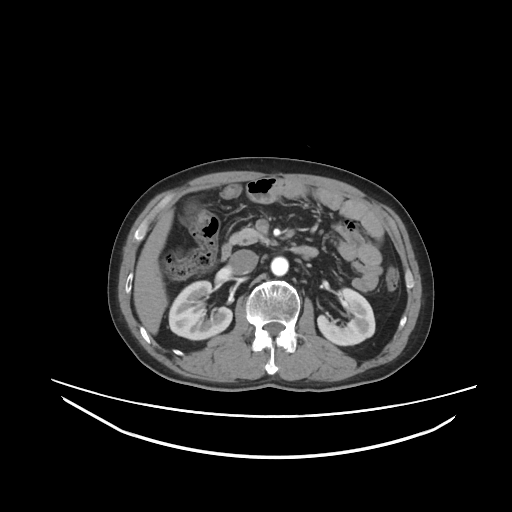
Computed tomography, abdomen · axial plane, index 66 · Aquilion ONE scanner
Bounding boxes as [x1, y1, x2, y2] in pixel coordinates. Labeled organs on this slice: right kidney at [169, 281, 232, 339], left kidney at [317, 288, 375, 345], gall bladder at [186, 202, 197, 214], liver at [134, 209, 173, 334], aorta at [271, 257, 288, 275], inferior vena cava at [229, 249, 258, 274], pancreas at [229, 227, 271, 245], duodenum at [221, 243, 318, 260].